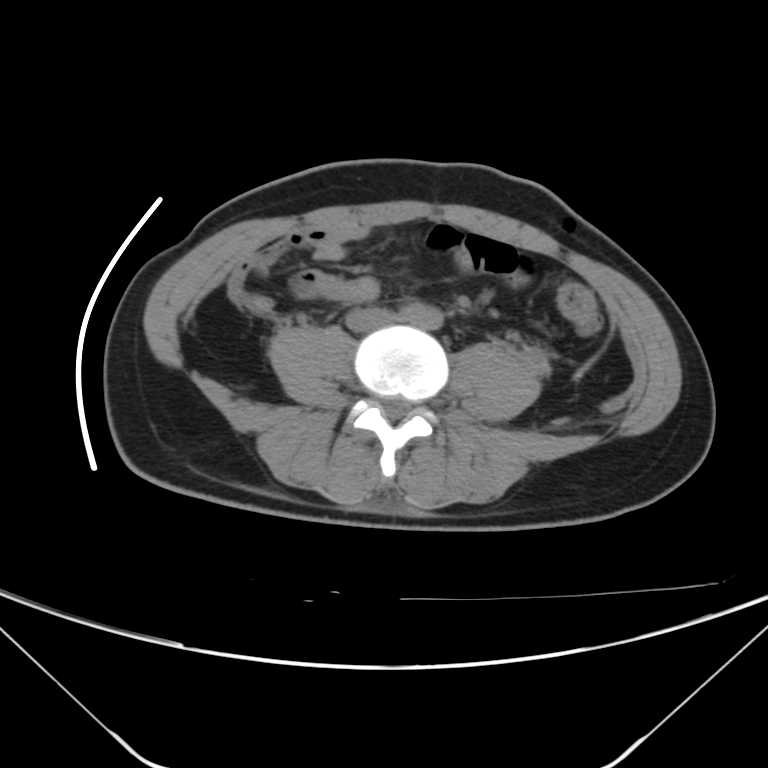 Computed tomography, abdomen — axial view — 768x768 px — Brilliance16 scanner
Bounding boxes as [x1, y1, x2, y2] in pixel coordinates.
Organ bounding boxes:
- aorta: [400, 303, 443, 329]
- inferior vena cava: [347, 308, 393, 331]